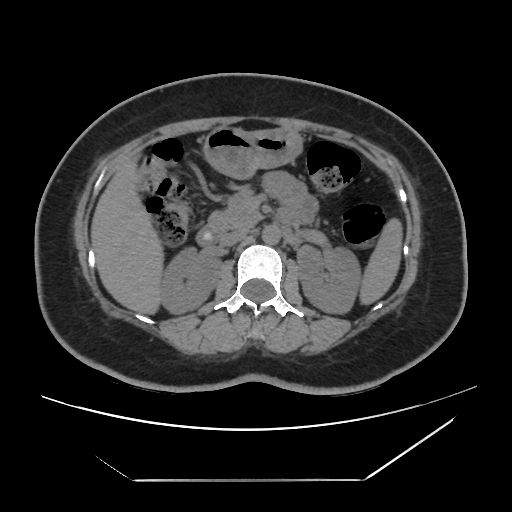

CT, abdomen/pelvis. axial view. scan has 15 labeled organs (a whole-scan count: organs this slice does not pass through have no box)
Bounding boxes in pixels, one row per box: x1, y1 is the top-left corner and x2, y2 the bottom-right.
| organ | x1 | y1 | x2 | y2 |
|---|---|---|---|---|
| stomach | 204 | 128 | 301 | 177 |
| liver | 91 | 159 | 160 | 312 |
| left kidney | 297 | 246 | 361 | 312 |
| inferior vena cava | 219 | 229 | 248 | 247 |
| pancreas | 207 | 193 | 263 | 231 |
| spleen | 361 | 220 | 401 | 303 |
| duodenum | 196 | 206 | 298 | 245 |
| right kidney | 159 | 245 | 218 | 314 |
| aorta | 262 | 224 | 280 | 243 |